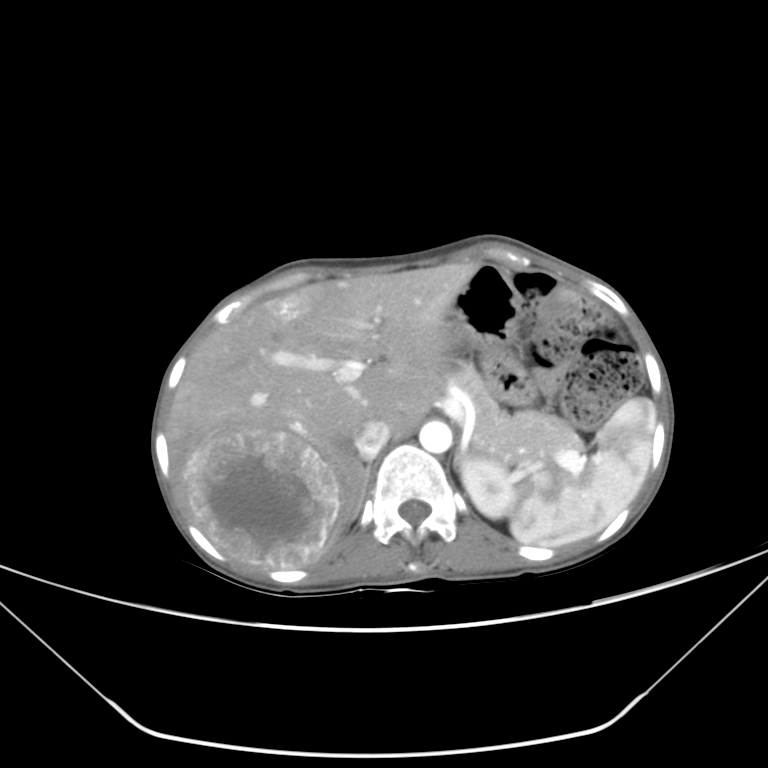

CT abdomen · axial view · 768x768 px · scan has 15 labeled organs (a whole-scan count: organs this slice does not pass through have no box)
Boxes: x1 y1 x2 y2 (pixel coords, space-separated).
liver: 167 261 479 569
stomach: 444 264 521 354
spleen: 510 397 655 545
aorta: 419 421 452 453
left kidney: 460 457 517 518
right adrenal gland: 350 460 370 520
inferior vena cava: 354 419 390 459
pancreas: 445 360 580 464